Computed tomography, abdomen — axial plane, index 136 — soft-tissue window (W 400 / L 40) — 512x512 px — SOMATOM Force scanner — 15 organs annotated in this scan (that count is for the whole scan; organs this slice misses have no box)
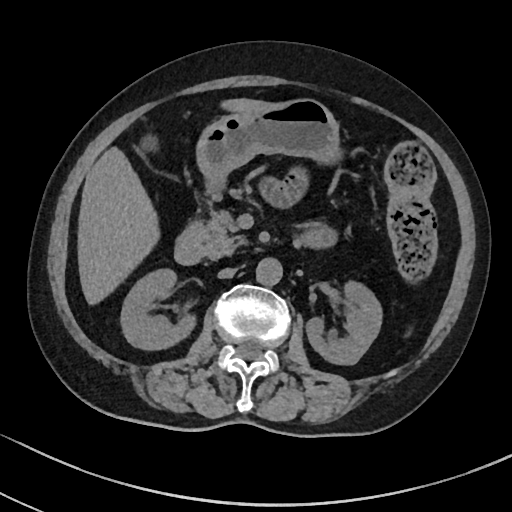
Boxes: x1:y1:x2:y2 in pixels.
pancreas: 196:212:246:258
stomach: 199:98:338:178
left kidney: 306:281:382:363
liver: 77:99:260:303
duodenum: 175:225:203:264
aorta: 256:257:282:284
inferior vena cava: 218:268:236:278
right kidney: 120:268:191:348